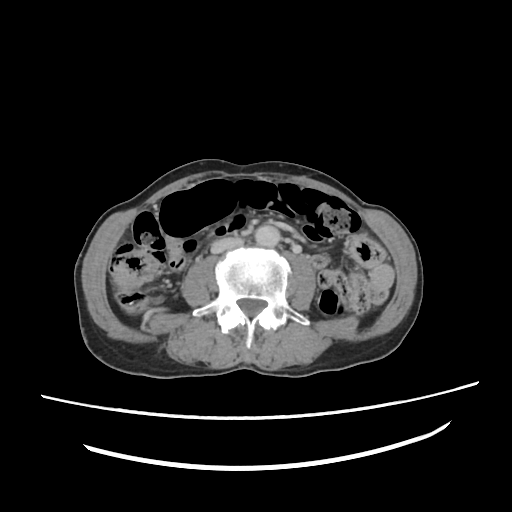

CT, abdomen/pelvis. axial view. 15 organs annotated in this scan (a whole-scan count: organs this slice does not pass through have no box)
<organs><organ name="aorta" x1="255" y1="223" x2="281" y2="247"/><organ name="inferior vena cava" x1="211" y1="238" x2="243" y2="253"/></organs>